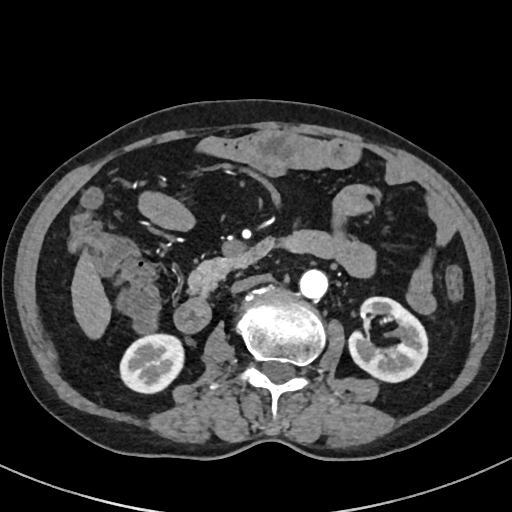
CT, abdomen/pelvis; axial view; 512x512 px; acquired on SOMATOM Force
Boxes are (x1, y1, x2, y2) in pixels.
Organ bounding boxes:
- right kidney: (120, 333, 184, 393)
- left kidney: (349, 297, 427, 382)
- liver: (71, 250, 111, 339)
- aorta: (299, 269, 327, 299)
- inferior vena cava: (231, 274, 269, 292)
- pancreas: (188, 255, 236, 294)
- duodenum: (174, 231, 331, 332)